Computed tomography, abdomen. axial view. 512x512 px. SOMATOM Force scanner. 15 organs annotated in this scan (a whole-scan count: organs this slice does not pass through have no box)
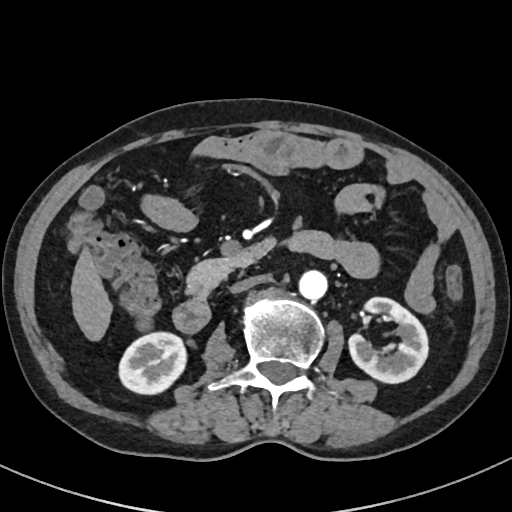
Boxes are (x1, y1, x2, y2) in pixels. Labeled organs on this slice: right kidney at (120, 332, 185, 393), left kidney at (349, 297, 427, 382), liver at (71, 250, 111, 339), aorta at (299, 269, 327, 299), inferior vena cava at (231, 274, 269, 292), pancreas at (188, 256, 234, 294), duodenum at (174, 231, 331, 332).